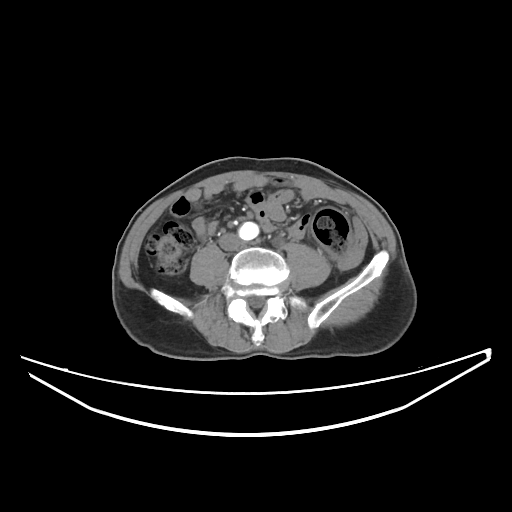
Computed tomography, abdomen. Axial slice 40/120. soft-tissue window. 512x512 px
Organ boxes in pixel coordinates; each row gives the top-left (x1, y1) and bottom-right (x2, y2) corners.
| organ | x1 | y1 | x2 | y2 |
|---|---|---|---|---|
| aorta | 238 | 222 | 258 | 240 |
| inferior vena cava | 219 | 233 | 241 | 250 |